Computed tomography, abdomen — axial view — abdomen soft-tissue window — 512x512 px — SOMATOM Force scanner
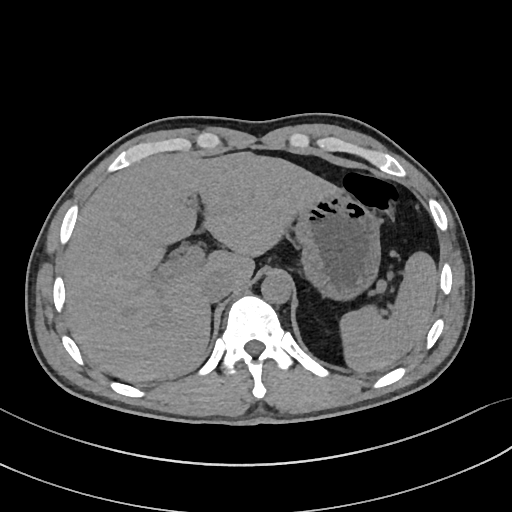
Boxes: x1:y1:x2:y2 in pixels. The annotated organs in this slice are: spleen at 339:251:438:372, liver at 64:151:339:382, stomach at 294:190:380:300, aorta at 261:272:292:303, inferior vena cava at 201:271:233:302.